CT abdomen. Axial slice 17/131. W/L 400/40 HU. 512x512 px
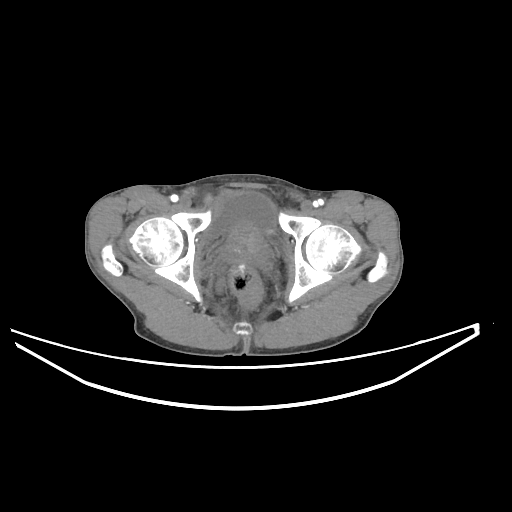 <organs><organ name="prostate/uterus" x1="223" y1="230" x2="265" y2="262"/><organ name="bladder" x1="206" y1="191" x2="275" y2="237"/></organs>